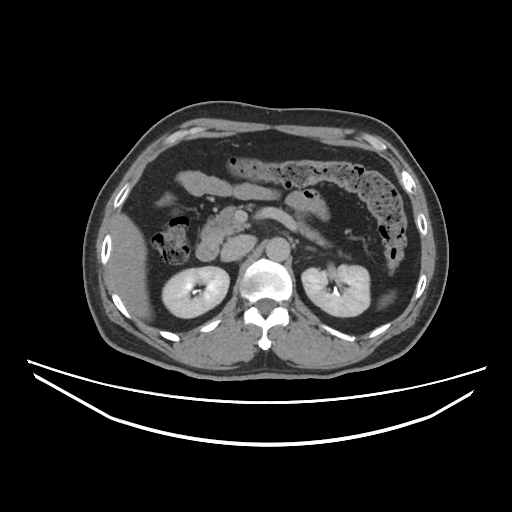

Computed tomography, abdomen — axial view — 55-year-old male patient
{"organs":{"spleen":[380,292,394,306],"right kidney":[162,266,228,317],"left kidney":[301,265,369,316],"liver":[111,213,151,319],"aorta":[267,237,290,260],"inferior vena cava":[223,236,253,259],"pancreas":[215,203,340,254],"left adrenal gland":[306,245,316,251],"duodenum":[196,221,221,259]}}